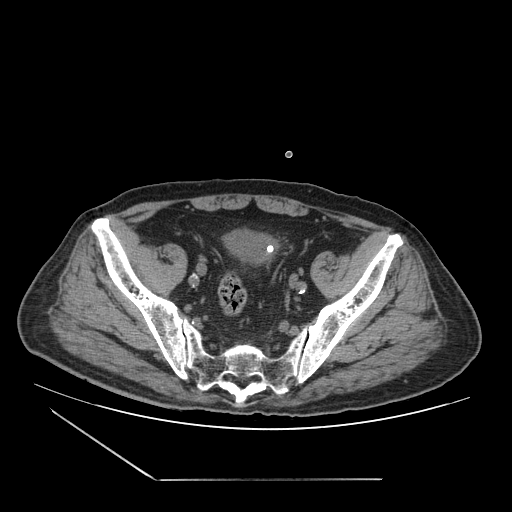
CT, abdomen/pelvis. axial view. soft-tissue window. acquired on SOMATOM Force. scan has 15 labeled organs (a whole-scan count: organs this slice does not pass through have no box)
Organ boxes in pixel coordinates; each row gives the top-left (x1, y1) and bottom-right (x2, y2) corners.
| organ | x1 | y1 | x2 | y2 |
|---|---|---|---|---|
| bladder | 223 | 229 | 277 | 263 |